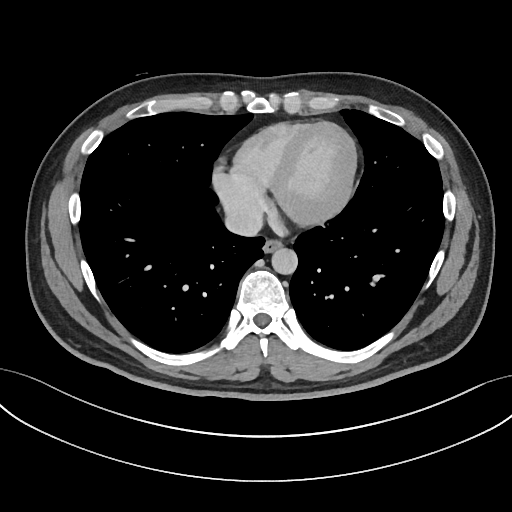

Lower-chest slice from an abdominal CT, just above the liver and spleen; Axial slice 245/345; 15 organs annotated in this scan (that count is for the whole scan; organs this slice misses have no box)
Of the structures in the chest, this dataset labels only the esophagus, the aorta and the inferior vena cava; the heart and lungs have no label.
Boxes: x1 y1 x2 y2 (pixel coords, space-separated).
Organ bounding boxes:
- esophagus: 263 238 282 252
- aorta: 271 247 297 273
- inferior vena cava: 224 208 262 236